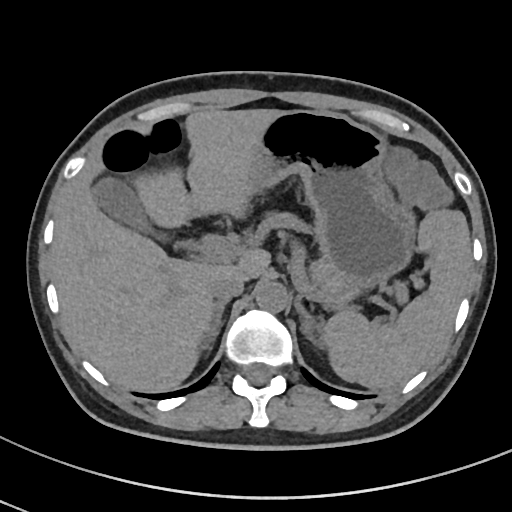
CT, abdomen/pelvis; axial view
Coordinates as <box>x1,y1,x2,y2</box> in pixels.
spleen: <box>321,208,471,388</box>
gall bladder: <box>92,178,164,239</box>
liver: <box>52,108,280,390</box>
stomach: <box>252,109,415,294</box>
aorta: <box>255,281,287,312</box>
inferior vena cava: <box>209,272,245,299</box>
pancreas: <box>268,213,328,288</box>
right adrenal gland: <box>208,298,230,342</box>
left adrenal gland: <box>295,296,314,339</box>